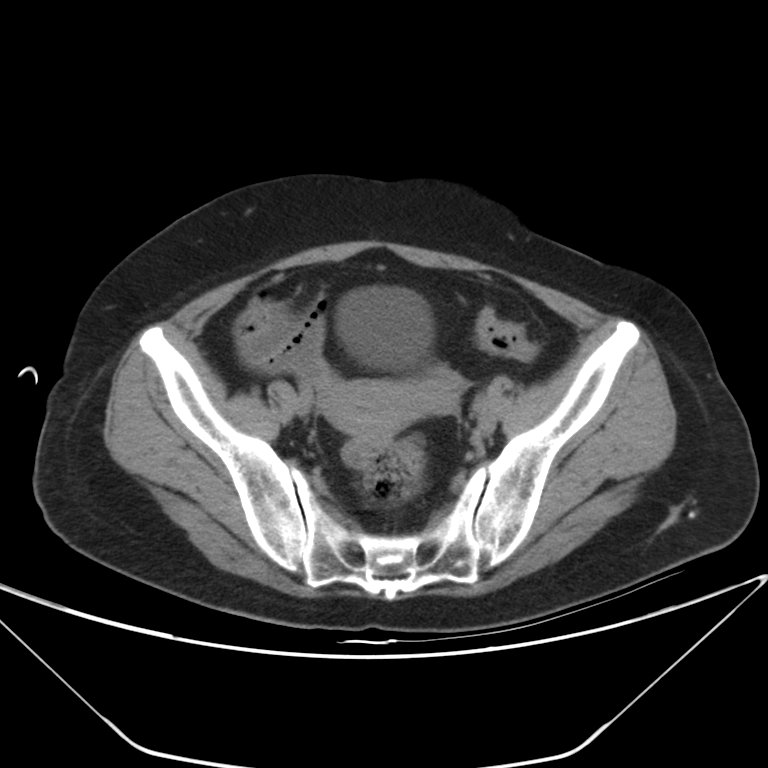
Abdominal CT — axial view — soft-tissue window — 768x768 px — 66-year-old female patient — acquired on Brilliance16
Organ boxes in pixel coordinates; each row gives the top-left (x1, y1) and bottom-right (x2, y2) corners.
| organ | x1 | y1 | x2 | y2 |
|---|---|---|---|---|
| bladder | 336 | 287 | 433 | 369 |
| prostate/uterus | 326 | 380 | 418 | 445 |